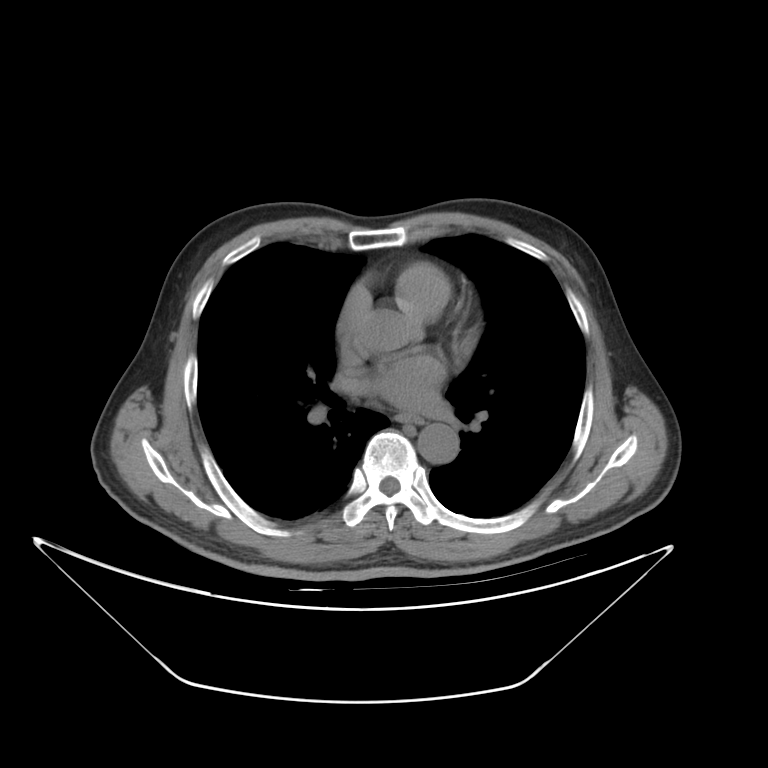
Lower-chest slice from an abdominal CT, just above the liver and spleen. axial view. 768x768 px
Of the structures in the chest, this dataset labels only the esophagus, the aorta and the inferior vena cava; the heart and lungs have no label. Bounding boxes as [x1, y1, x2, y2] in pixel coordinates. 1 labeled organ on this slice — aorta at [420, 425, 459, 462].